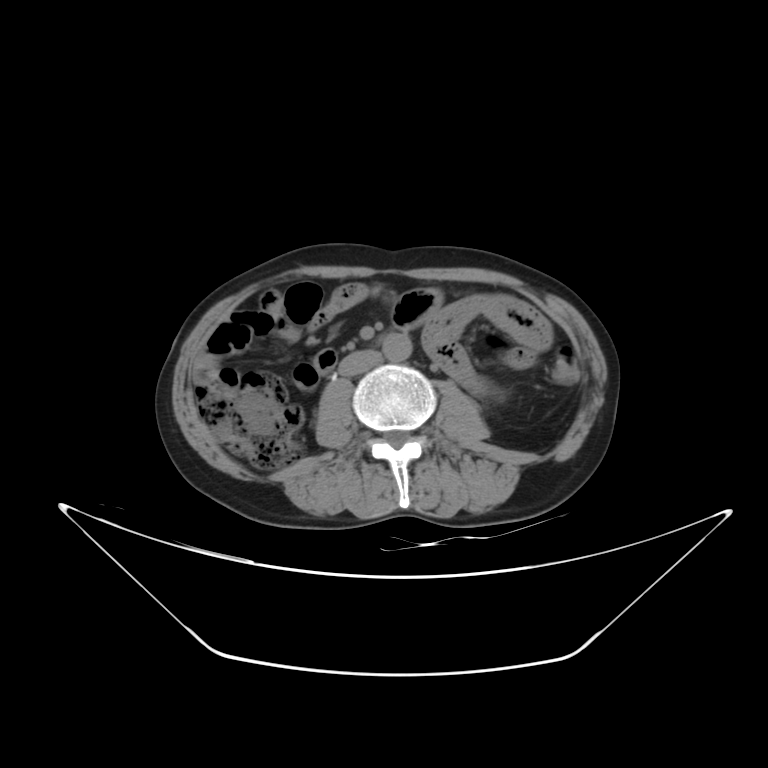 Computed tomography, abdomen; axial view; 52-year-old male patient
{"organs":{"aorta":[382,333,412,361],"inferior vena cava":[338,350,382,376]}}